Abdominal MR · coronal acquisition · 13 organs annotated in this scan (that count is for the whole scan; organs this slice misses have no box)
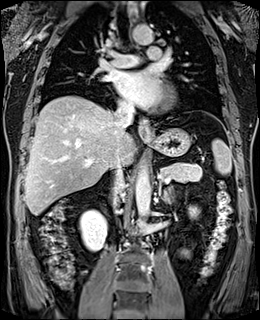 <organs><organ name="spleen" x1="212" y1="138" x2="231" y2="174"/><organ name="right kidney" x1="80" y1="210" x2="106" y2="252"/><organ name="left kidney" x1="189" y1="207" x2="197" y2="216"/><organ name="esophagus" x1="138" y1="118" x2="150" y2="139"/><organ name="liver" x1="24" y1="95" x2="135" y2="215"/><organ name="stomach" x1="144" y1="128" x2="191" y2="157"/><organ name="aorta" x1="135" y1="162" x2="150" y2="230"/><organ name="aorta" x1="131" y1="24" x2="152" y2="44"/><organ name="inferior vena cava" x1="111" y1="103" x2="134" y2="201"/><organ name="pancreas" x1="160" y1="162" x2="202" y2="182"/><organ name="left adrenal gland" x1="158" y1="183" x2="174" y2="202"/></organs>